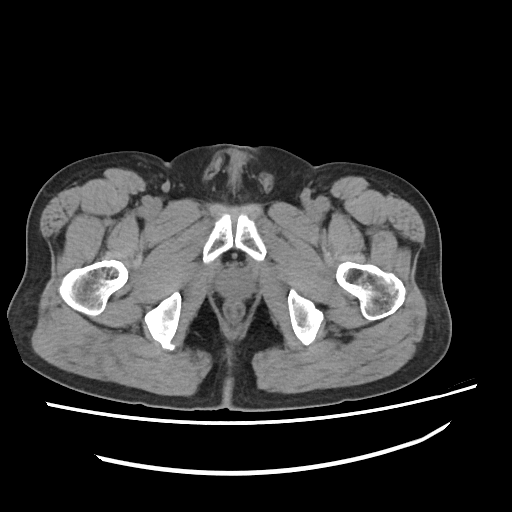

CT abdomen. Axial slice 10/92. W/L 400/40 HU. 512x512 px. 45-year-old male patient. scan has 15 labeled organs (a whole-scan count: organs this slice does not pass through have no box)
{"organs":{"prostate/uterus":[218,271,250,297]}}